Computed tomography, abdomen; axial view; abdomen soft-tissue window; 512x512 px
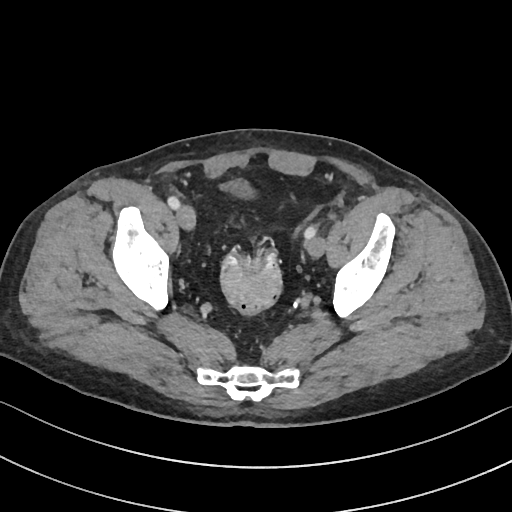
Bounding boxes as [x1, y1, x2, y2] in pixel coordinates.
bladder: [221, 179, 251, 195]